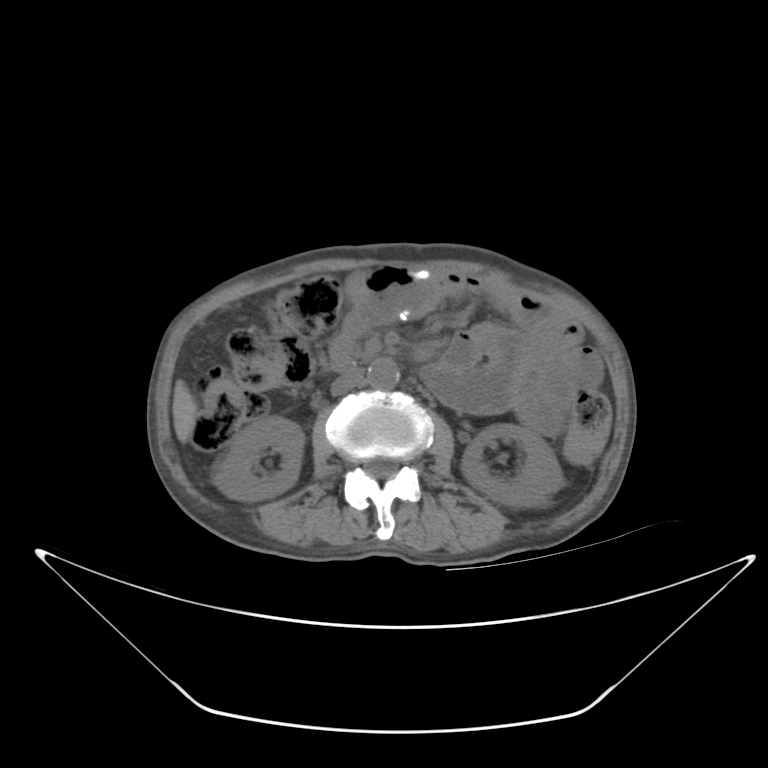

Computed tomography, abdomen. Axial slice 60/95. soft-tissue window. scan has 13 labeled organs (counted over the whole 3D scan, not this slice; an organ is boxed only where this slice passes through it)
Organ boxes in pixel coordinates; each row gives the top-left (x1, y1) and bottom-right (x2, y2) corners.
| organ | x1 | y1 | x2 | y2 |
|---|---|---|---|---|
| right kidney | 214 | 415 | 302 | 499 |
| left kidney | 462 | 424 | 559 | 506 |
| liver | 173 | 378 | 198 | 442 |
| aorta | 367 | 358 | 399 | 390 |
| inferior vena cava | 330 | 366 | 365 | 394 |